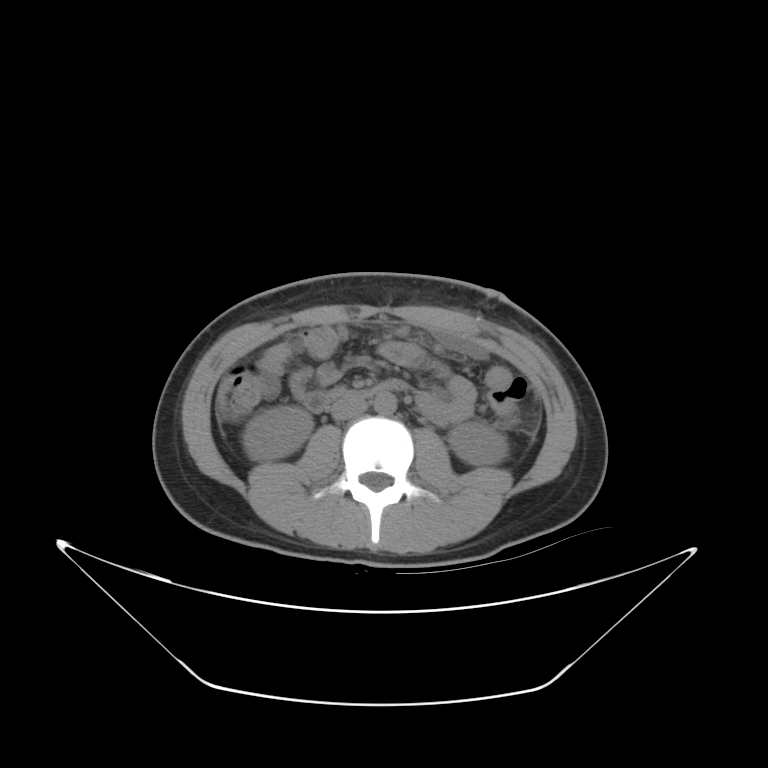

CT, abdomen/pelvis · axial plane, index 60 · W/L 400/40 HU · acquired on Brilliance16
Each box given as x1,y1,x2,y2. 6 labeled organs on this slice — right kidney at x1=242, y1=405, x2=311, y2=458; left kidney at x1=448, y1=423, x2=508, y2=463; liver at x1=221, y1=377, x2=238, y2=412; aorta at x1=372, y1=392, x2=393, y2=412; inferior vena cava at x1=330, y1=398, x2=363, y2=419; duodenum at x1=302, y1=379, x2=405, y2=411.